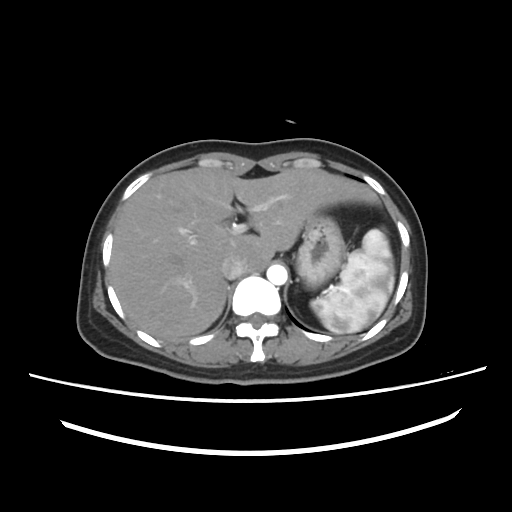
Abdominal CT. Axial slice 79/123. abdomen soft-tissue window
Boxes are (x1, y1, x2, y2) in pixels.
Organ bounding boxes:
- spleen: (310, 229, 394, 333)
- liver: (110, 167, 378, 339)
- stomach: (296, 212, 344, 288)
- aorta: (266, 264, 287, 284)
- inferior vena cava: (221, 256, 245, 279)